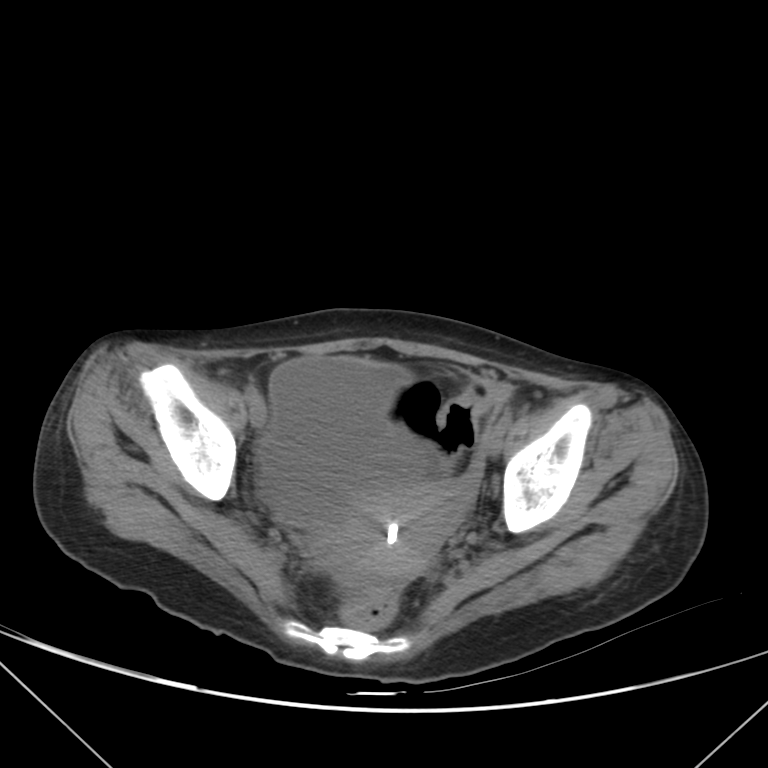

CT abdomen. axial view. soft-tissue window. 768x768 px. Brilliance16 scanner
Coordinates as <box>x1,y1,x2,y2</box> in pixels.
Organ bounding boxes:
- prostate/uterus: <box>320,482,465,579</box>
- bladder: <box>257,357,428,523</box>